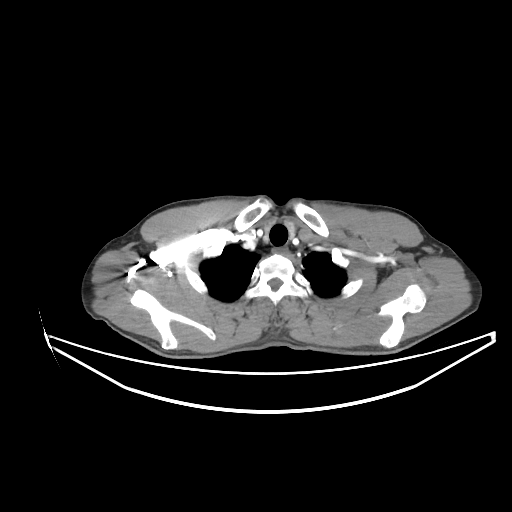

Chest-level slice from an abdominal CT that extends up into the chest — axial view — W/L 400/40 HU — Aquilion ONE scanner
At this level of the chest this dataset labels only the esophagus and the aorta, and each is boxed only where it is labeled; the heart and lungs are never labeled.
Coordinates as <box>x1,y1,x2,y2</box> in pixels.
esophagus: <box>273,249,286,254</box>